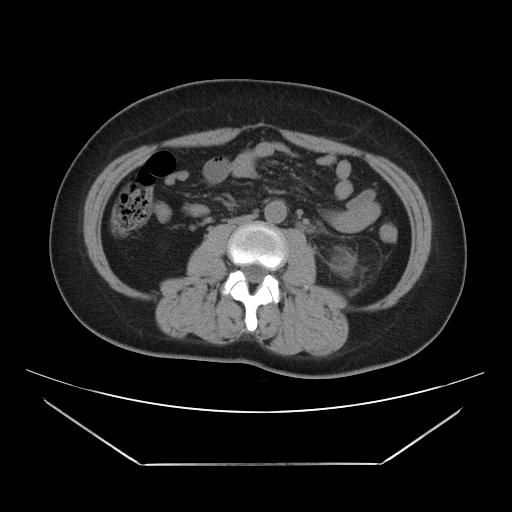 CT abdomen — axial view
<organs><organ name="aorta" x1="264" y1="200" x2="286" y2="223"/><organ name="left kidney" x1="337" y1="256" x2="351" y2="270"/><organ name="inferior vena cava" x1="229" y1="214" x2="255" y2="224"/></organs>